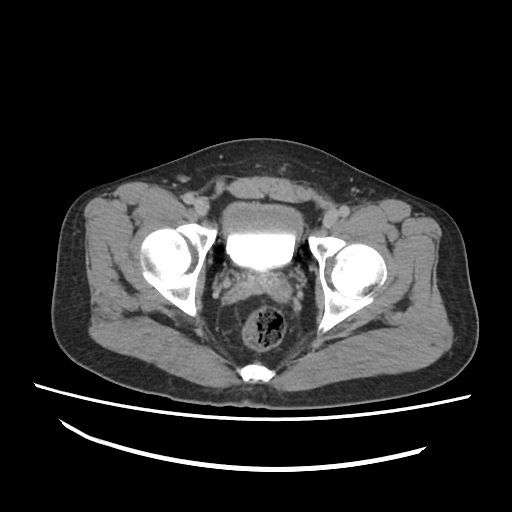 Abdominal CT. axial view. 15 organs annotated in this scan (that count is for the whole scan; organs this slice misses have no box)
Boxes: x1 y1 x2 y2 (pixel coords, space-separated).
bladder: 220 203 305 270